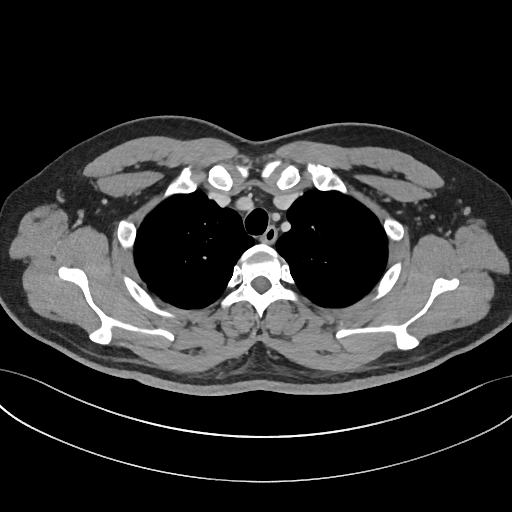

Chest-level CT slice, above the liver and spleen; axial view; acquired on SOMATOM Force; 15 organs annotated in this scan (counted over the whole 3D scan, not this slice; an organ is boxed only where this slice passes through it)
At this level of the chest this dataset labels only the esophagus and the aorta, and each is boxed only where it is labeled; the heart and lungs are never labeled.
Box edges are left/top/right/bottom in pixels.
Organ bounding boxes:
- esophagus: left=262, top=227, right=276, bottom=243